CT, abdomen/pelvis — Axial slice 96/103 — soft-tissue window (W 400 / L 40) — 512x512 px
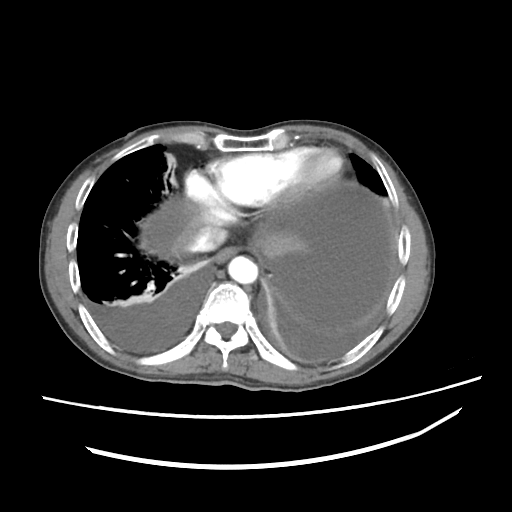

<organs><organ name="esophagus" x1="218" y1="246" x2="242" y2="262"/><organ name="liver" x1="170" y1="191" x2="370" y2="258"/><organ name="aorta" x1="228" y1="255" x2="257" y2="285"/><organ name="inferior vena cava" x1="187" y1="226" x2="226" y2="253"/></organs>